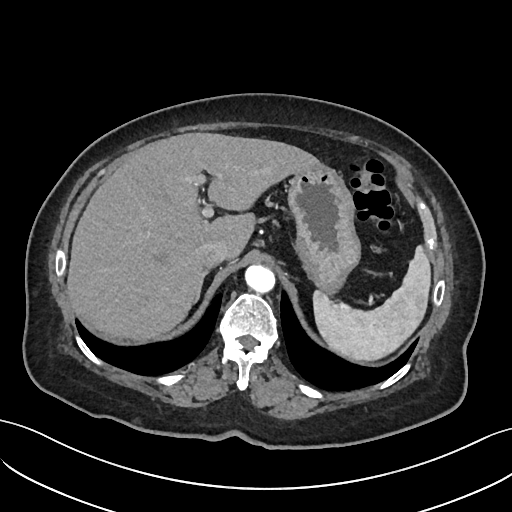
Abdominal CT — axial plane, index 155 — W/L 400/40 HU — 512x512 px — acquired on SOMATOM Force
Each box given as x1,y1,x2,y2.
Organ bounding boxes:
- spleen: x1=314, y1=245, x2=432, y2=360
- liver: x1=67, y1=132, x2=318, y2=339
- stomach: x1=287, y1=161, x2=359, y2=293
- aorta: x1=245, y1=263, x2=275, y2=290
- inferior vena cava: x1=195, y1=240, x2=228, y2=267
- right adrenal gland: x1=196, y1=268, x2=211, y2=300